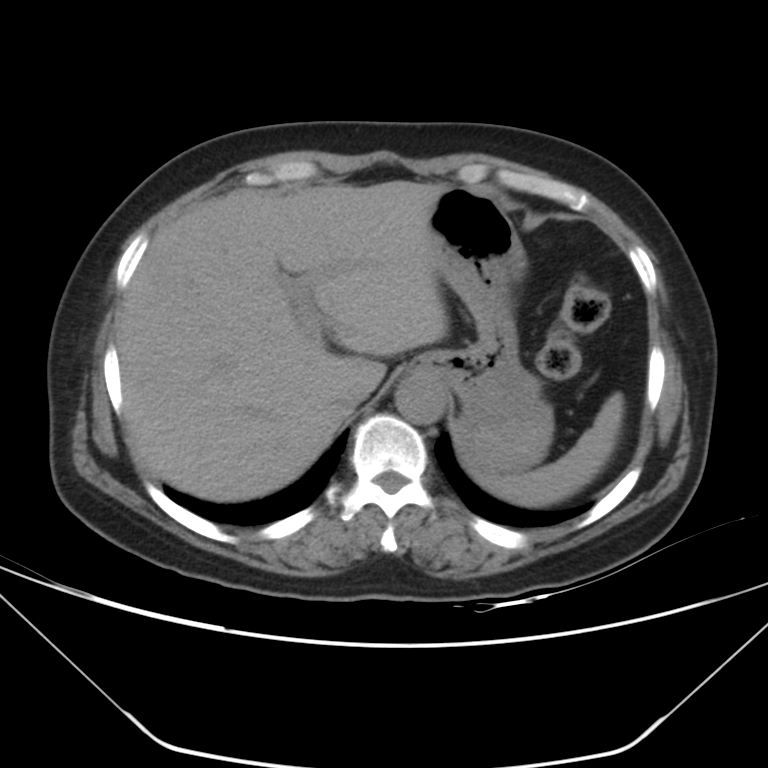
Computed tomography, abdomen; axial plane, index 72; 40-year-old male patient; 15 organs annotated in this scan (that count is for the whole scan; organs this slice misses have no box)
One row per box, in pixels: columns x1 and y1 give the top-left corner, x2 and y2 the bottom-right.
| organ | x1 | y1 | x2 | y2 |
|---|---|---|---|---|
| spleen | 472 | 393 | 624 | 507 |
| liver | 117 | 181 | 448 | 501 |
| stomach | 416 | 187 | 553 | 473 |
| aorta | 395 | 373 | 448 | 423 |
| inferior vena cava | 332 | 378 | 369 | 412 |